CT abdomen; Axial slice 60/82
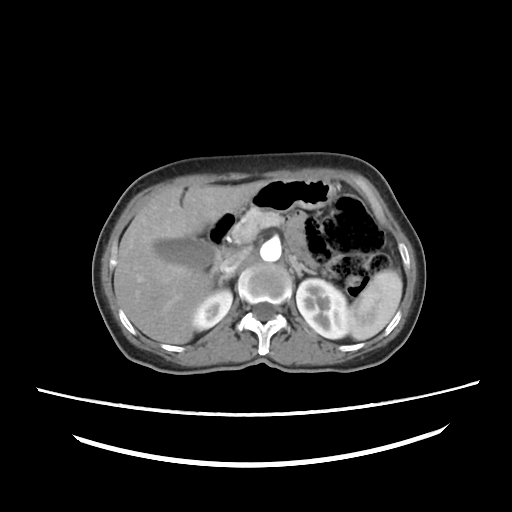

One row per box, in pixels: columns x1 and y1 give the top-left corner, x2 and y2 the bottom-right.
| organ | x1 | y1 | x2 | y2 |
|---|---|---|---|---|
| liver | 113 | 180 | 267 | 344 |
| aorta | 261 | 238 | 281 | 262 |
| stomach | 250 | 178 | 337 | 212 |
| right kidney | 192 | 288 | 233 | 330 |
| left adrenal gland | 290 | 256 | 316 | 280 |
| right adrenal gland | 218 | 272 | 235 | 285 |
| pancreas | 230 | 209 | 282 | 246 |
| gall bladder | 157 | 238 | 214 | 268 |
| duodenum | 210 | 212 | 238 | 272 |
| inferior vena cava | 221 | 249 | 248 | 273 |
| spleen | 349 | 269 | 402 | 341 |
| left kidney | 296 | 278 | 350 | 338 |